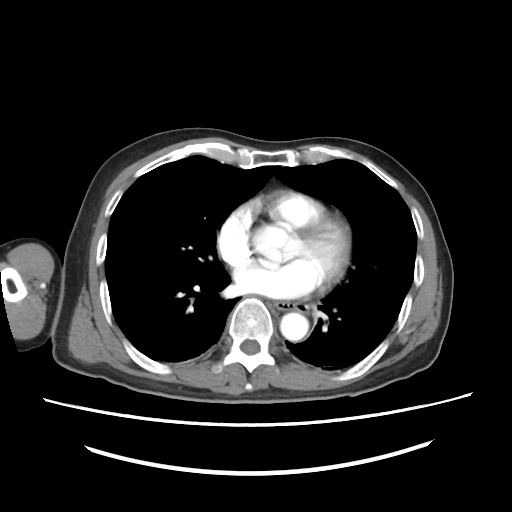 Abdominal CT; this slice is in the lower chest, just above the liver — axial view — soft-tissue window — 512x512 px — 61-year-old male patient
Of the structures in the chest, this dataset labels only the esophagus, the aorta and the inferior vena cava; the heart and lungs have no label.
{"organs":{"aorta":[280,314,311,342],"esophagus":[268,299,309,312]}}